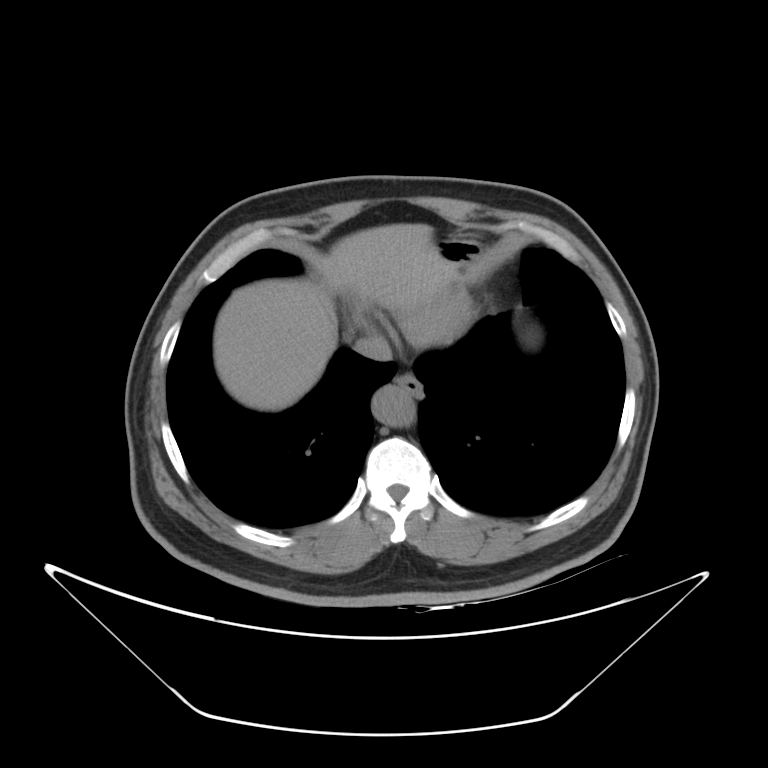 CT abdomen; axial view; 768x768 px
Each box given as x1,y1,x2,y2.
Organ bounding boxes:
- esophagus: x1=394, y1=373, x2=423, y2=398
- liver: x1=213, y1=223, x2=499, y2=410
- stomach: x1=439, y1=239, x2=481, y2=262
- aorta: x1=372, y1=385, x2=414, y2=427
- inferior vena cava: x1=354, y1=335, x2=392, y2=361